Abdominal CT. Axial slice 132/191. soft-tissue window. scan has 15 labeled organs (a whole-scan count: organs this slice does not pass through have no box)
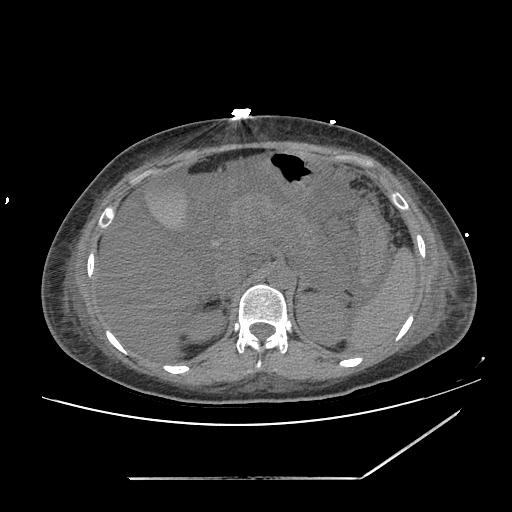

Each box given as x1,y1,x2,y2.
spleen: x1=187, y1=199, x2=417, y2=351
right kidney: x1=183, y1=312, x2=226, y2=340
left kidney: x1=296, y1=295, x2=344, y2=344
gall bladder: x1=144, y1=174, x2=189, y2=235
liver: x1=96, y1=186, x2=202, y2=360
stomach: x1=261, y1=150, x2=316, y2=199
aorta: x1=267, y1=265, x2=293, y2=289
inferior vena cava: x1=215, y1=261, x2=246, y2=294
pancreas: x1=229, y1=193, x2=326, y2=302
right adrenal gland: x1=199, y1=292, x2=227, y2=316
left adrenal gland: x1=296, y1=273, x2=322, y2=299
duodenum: x1=195, y1=197, x2=213, y2=234